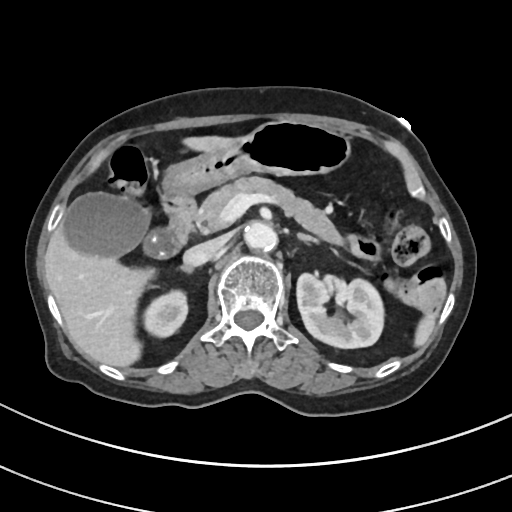 Abdominal CT. axial view. 512x512 px. scan has 15 labeled organs (that count is for the whole scan; organs this slice misses have no box)
Boxes: x1 y1 x2 y2 (pixel coords, space-separated).
spleen: 414 312 435 347
right kidney: 144 290 187 337
left kidney: 296 273 384 348
gall bladder: 64 192 170 256
liver: 45 135 238 367
stomach: 162 120 351 197
aorta: 244 222 277 251
inferior vena cava: 183 238 224 266
pancreas: 193 176 344 245
right adrenal gland: 181 265 193 273
left adrenal gland: 297 233 318 243
duodenum: 162 197 195 255